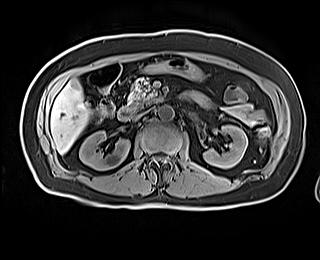

MRI, abdomen — axial view — percentile-normalized — 320x260 px — scan has 13 labeled organs (a whole-scan count: organs this slice does not pass through have no box)
Box edges are left/top/right/bottom in pixels.
Organ bounding boxes:
- right kidney: left=79, top=130, right=129, bottom=170
- left kidney: left=203, top=125, right=247, bottom=168
- liver: left=50, top=79, right=90, bottom=153
- stomach: left=141, top=58, right=204, bottom=82
- aorta: left=158, top=105, right=174, bottom=120
- inferior vena cava: left=135, top=110, right=148, bottom=119
- pancreas: left=128, top=75, right=156, bottom=109
- duodenum: left=117, top=107, right=135, bottom=120